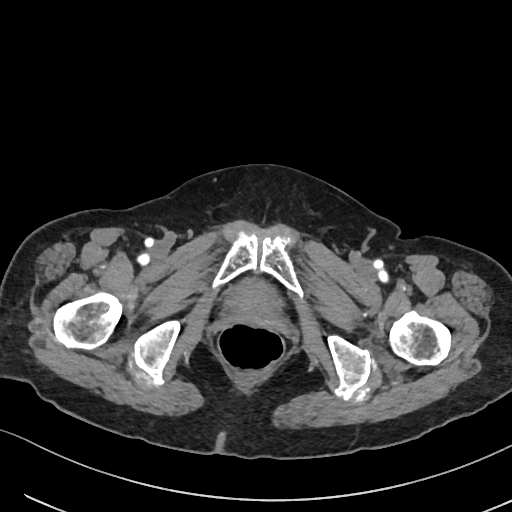
Abdominal CT — axial view — 512x512 px — scan has 15 labeled organs (a whole-scan count: organs this slice does not pass through have no box)
Each box given as x1,y1,x2,y2. The annotated organs in this slice are: bladder at x1=223, y1=278, x2=283, y2=308.